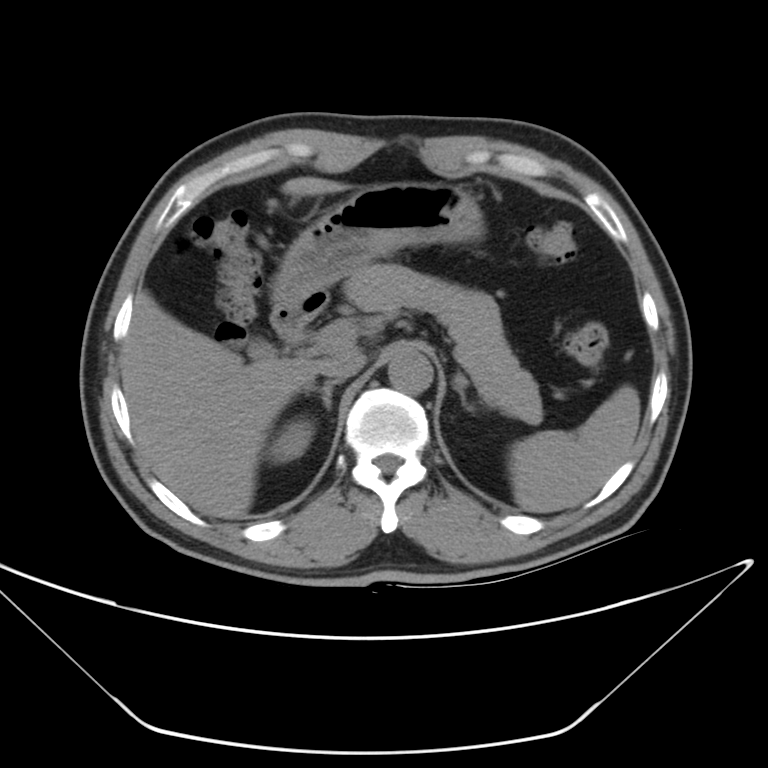

CT abdomen — axial view — soft-tissue window (W 400 / L 40) — 768x768 px
Bounding boxes in pixels, one row per box: x1, y1 is the top-left corner and x2, y2 the bottom-right.
| organ | x1 | y1 | x2 | y2 |
|---|---|---|---|---|
| pancreas | 343 | 265 | 541 | 421 |
| liver | 119 | 177 | 345 | 518 |
| duodenum | 273 | 291 | 329 | 344 |
| right kidney | 266 | 419 | 314 | 464 |
| right adrenal gland | 315 | 379 | 339 | 410 |
| inferior vena cava | 318 | 351 | 365 | 381 |
| spleen | 508 | 385 | 639 | 512 |
| gall bladder | 248 | 338 | 267 | 357 |
| stomach | 272 | 180 | 484 | 299 |
| left adrenal gland | 454 | 374 | 473 | 410 |
| aorta | 386 | 350 | 433 | 392 |